CT abdomen — Axial slice 172/207 — abdomen soft-tissue window — 512x512 px
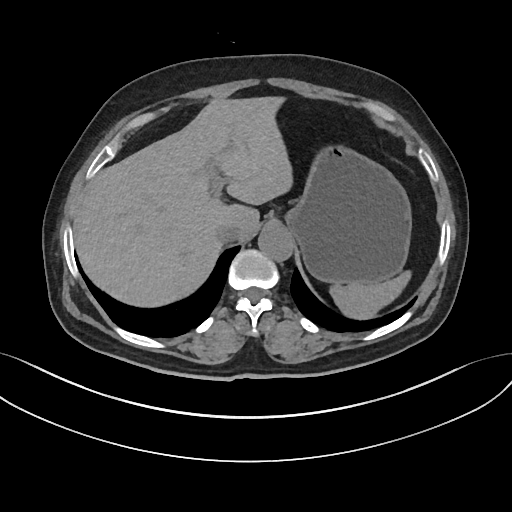

<organs><organ name="stomach" x1="287" y1="147" x2="411" y2="283"/><organ name="inferior vena cava" x1="215" y1="223" x2="240" y2="243"/><organ name="aorta" x1="257" y1="226" x2="292" y2="260"/><organ name="liver" x1="74" y1="96" x2="291" y2="306"/><organ name="spleen" x1="331" y1="270" x2="411" y2="320"/></organs>